Computed tomography, abdomen — Axial slice 44/305 — soft-tissue window (W 400 / L 40)
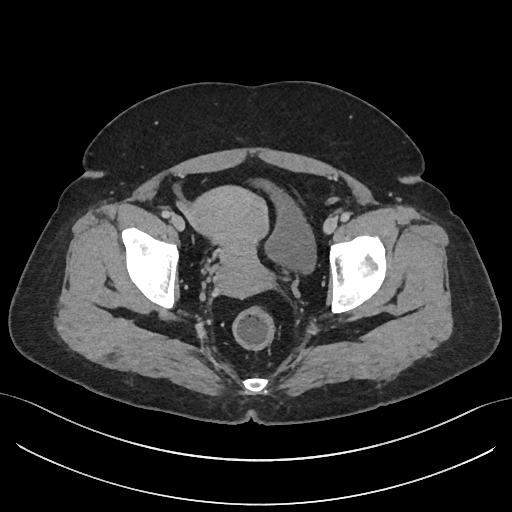

Coordinates as <box>x1,y1,x2,y2</box> in pixels.
Organ bounding boxes:
- prostate/uterus: <box>186,186,268,297</box>
- bladder: <box>265,184,315,272</box>